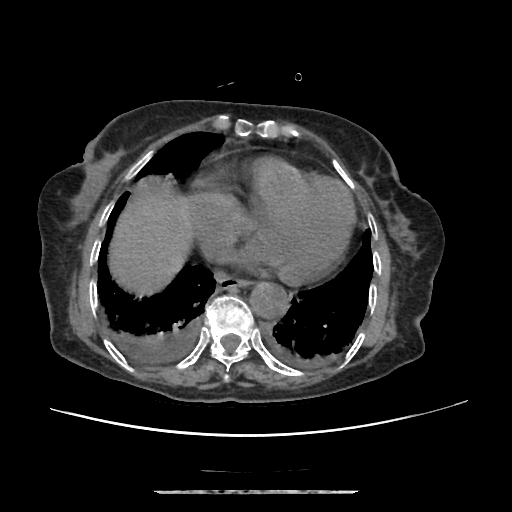 Abdominal CT · axial view · soft-tissue window · scan has 14 labeled organs (a whole-scan count: organs this slice does not pass through have no box)
{"organs":{"esophagus":[216,273,249,289],"liver":[110,192,192,292],"aorta":[250,282,287,318]}}